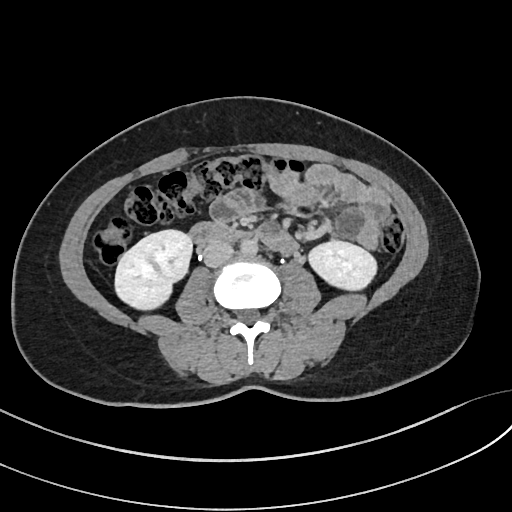

Computed tomography, abdomen. axial view. 512x512 px. acquired on SOMATOM Force
<organs><organ name="right kidney" x1="115" y1="229" x2="192" y2="309"/><organ name="left kidney" x1="309" y1="241" x2="376" y2="290"/><organ name="aorta" x1="240" y1="239" x2="257" y2="255"/><organ name="inferior vena cava" x1="203" y1="240" x2="233" y2="267"/><organ name="duodenum" x1="190" y1="222" x2="283" y2="253"/></organs>